Abdominal CT reaching into the chest; this slice is in the chest; axial view; 512x512 px
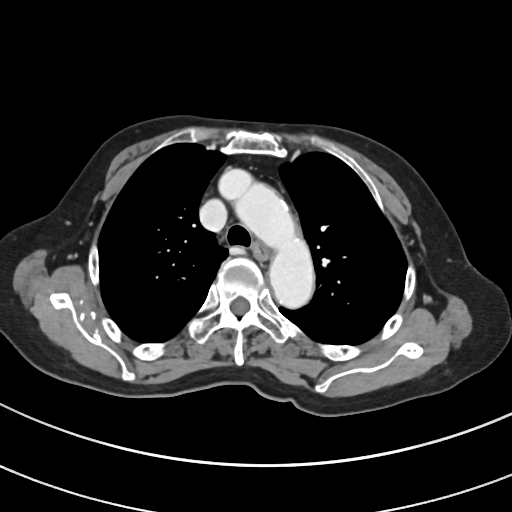

At this level of the chest this dataset labels only the esophagus and the aorta, and each is boxed only where it is labeled; the heart and lungs are never labeled.
Bounding boxes as [x1, y1, x2, y2] in pixel coordinates.
Organ bounding boxes:
- esophagus: [252, 244, 270, 259]
- aorta: [220, 170, 314, 308]